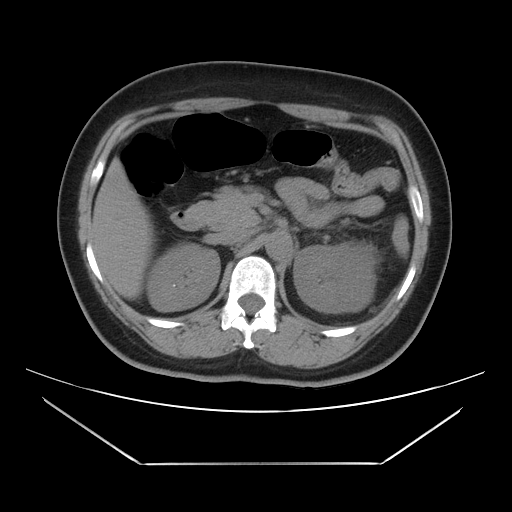 Computed tomography, abdomen — axial view — abdomen soft-tissue window
One row per box, in pixels: columns x1 and y1 give the top-left corner, x2 and y2 the bottom-right.
| organ | x1 | y1 | x2 | y2 |
|---|---|---|---|---|
| right kidney | 147 | 243 | 219 | 311 |
| left kidney | 293 | 242 | 377 | 313 |
| liver | 91 | 157 | 154 | 299 |
| aorta | 265 | 230 | 292 | 261 |
| inferior vena cava | 216 | 227 | 251 | 244 |
| pancreas | 189 | 186 | 257 | 228 |
| duodenum | 171 | 210 | 205 | 230 |